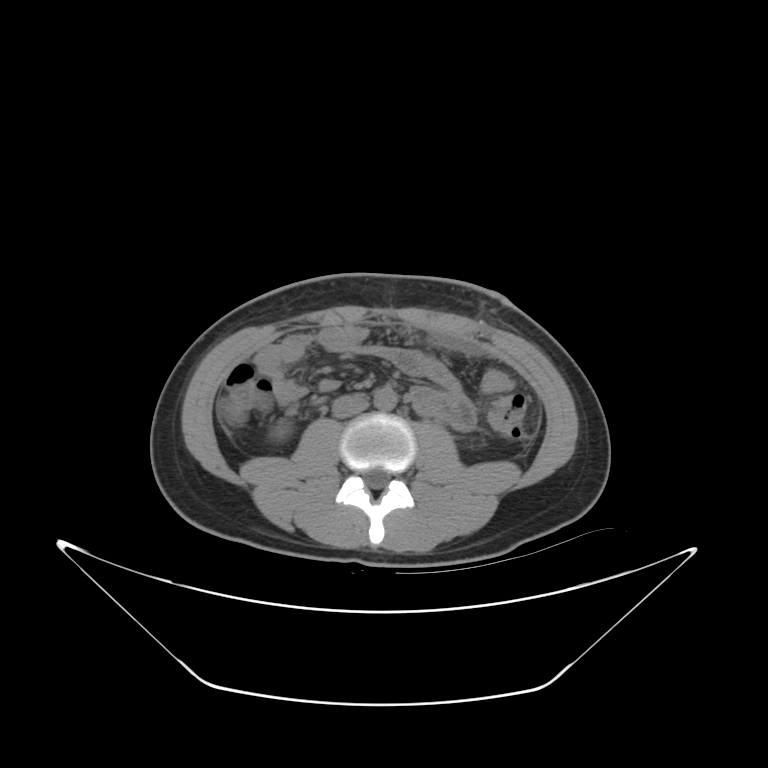 CT abdomen; Axial slice 58/102; soft-tissue window
Boxes: x1:y1:x2:y2 in pixels.
right kidney: 266:422:286:441
aorta: 374:388:395:409
inferior vena cava: 331:394:367:417